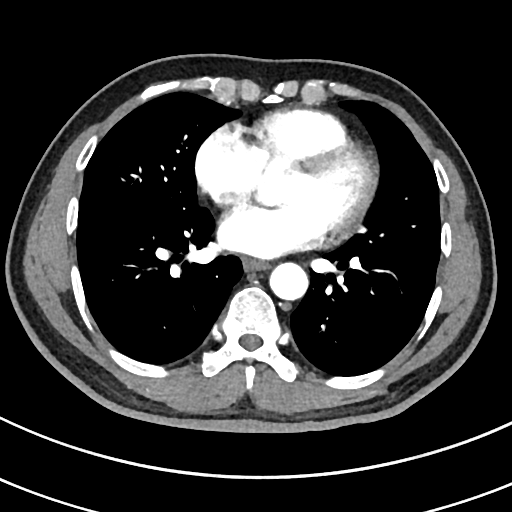

Lower-chest slice from an abdominal CT, just above the liver and spleen. Axial slice 215/302
Of the structures in the chest, this dataset labels only the esophagus, the aorta and the inferior vena cava; the heart and lungs have no label.
Bounding boxes as [x1, y1, x2, y2] in pixel coordinates.
Organ bounding boxes:
- esophagus: [242, 257, 268, 270]
- aorta: [269, 261, 307, 299]